Abdominal CT; this slice is in the lower chest, just above the liver — Axial slice 183/198 — 512x512 px
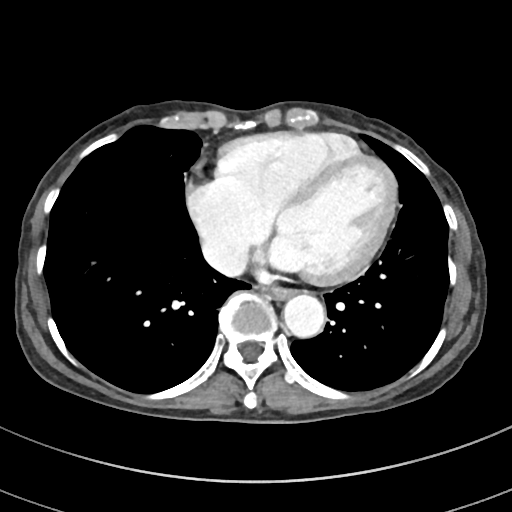

No part of the heart or lungs is labeled in this dataset, so neither has a box here.
Boxes: x1 y1 x2 y2 (pixel coords, space-separated).
Organ bounding boxes:
- esophagus: 264 286 293 298
- aorta: 283 293 325 336
- inferior vena cava: 202 239 246 276